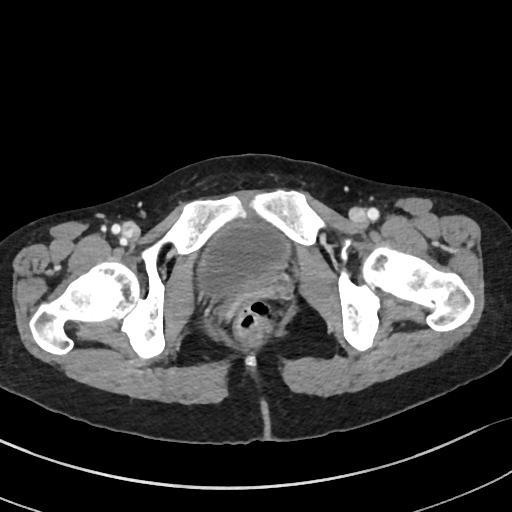
Abdominal CT — axial view — soft-tissue window — 512x512 px — SOMATOM Force scanner — 15 organs annotated in this scan (that count is for the whole scan; organs this slice misses have no box)
Bounding boxes in pixels, one row per box: x1, y1 is the top-left corner and x2, y2 the bottom-right.
| organ | x1 | y1 | x2 | y2 |
|---|---|---|---|---|
| bladder | 196 | 220 | 290 | 298 |